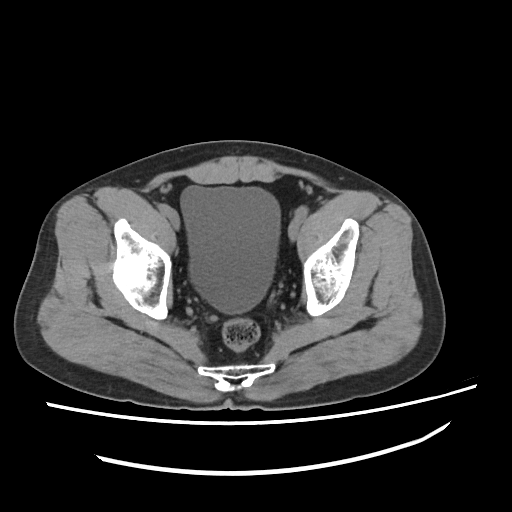 Computed tomography, abdomen · Axial slice 22/92 · 45-year-old male patient · scan has 15 labeled organs (that count is for the whole scan; organs this slice misses have no box)
Organ boxes in pixel coordinates; each row gives the top-left (x1, y1) and bottom-right (x2, y2) corners.
| organ | x1 | y1 | x2 | y2 |
|---|---|---|---|---|
| bladder | 180 | 184 | 279 | 315 |